Computed tomography, abdomen. axial view. scan has 15 labeled organs (counted over the whole 3D scan, not this slice; an organ is boxed only where this slice passes through it)
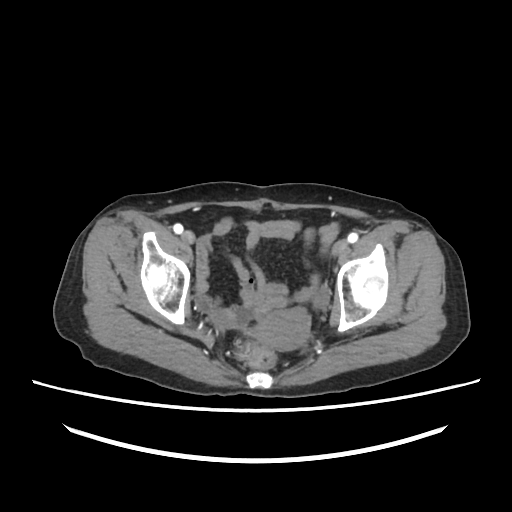 Coordinates as <box>x1,y1,x2,y2</box> in pixels.
prostate/uterus: <box>253,307,309,350</box>